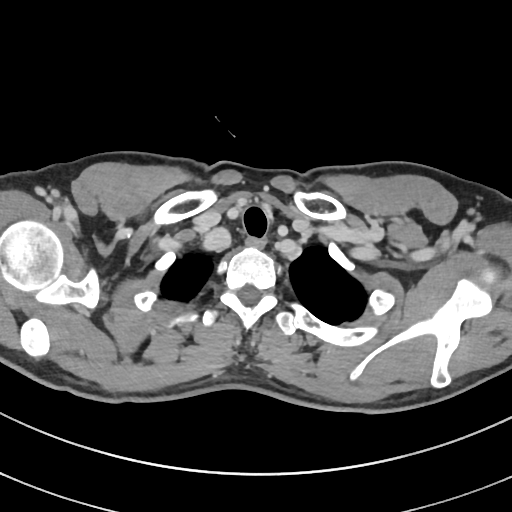

Abdominal CT reaching into the chest; this slice is in the chest — Axial slice 282/298 — 15 organs annotated in this scan (a whole-scan count: organs this slice does not pass through have no box)
At this level of the chest this dataset labels only the esophagus and the aorta, and each is boxed only where it is labeled; the heart and lungs are never labeled.
Bounding boxes in pixels, one row per box: x1, y1 is the top-left corner and x2, y2 the bottom-right.
| organ | x1 | y1 | x2 | y2 |
|---|---|---|---|---|
| esophagus | 243 | 235 | 265 | 249 |